Computed tomography, abdomen · axial view · W/L 400/40 HU
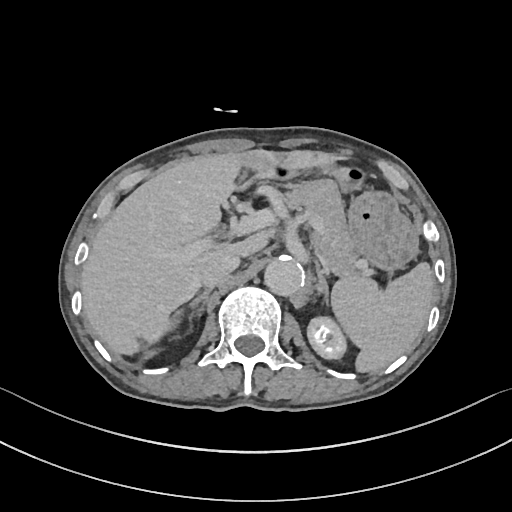

Boxes: x1 y1 x2 y2 (pixel coords, space-separated).
Organ bounding boxes:
- spleen: 331 262 433 372
- left kidney: 307 316 346 359
- liver: 80 149 337 354
- stomach: 322 165 418 271
- aorta: 264 255 304 295
- inferior vena cava: 201 252 239 287
- pancreas: 280 178 358 276
- right adrenal gland: 189 289 210 316
- left adrenal gland: 316 271 328 302